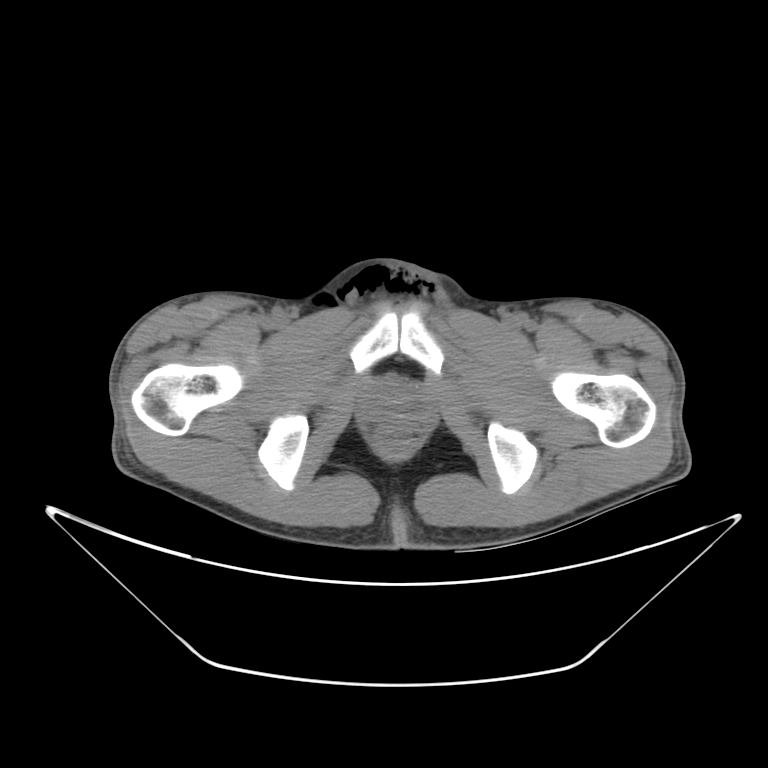 CT, abdomen/pelvis — axial view — 768x768 px — 33-year-old male patient — 15 organs annotated in this scan (a whole-scan count: organs this slice does not pass through have no box)
Organ boxes in pixel coordinates; each row gives the top-left (x1, y1) and bottom-right (x2, y2) corners.
| organ | x1 | y1 | x2 | y2 |
|---|---|---|---|---|
| prostate/uterus | 369 | 390 | 422 | 421 |